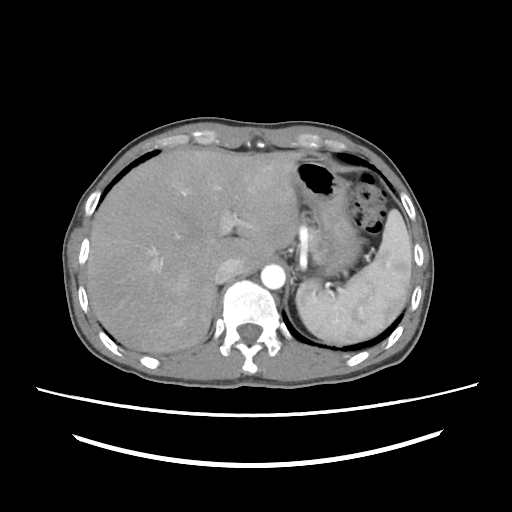
Computed tomography, abdomen — axial view — W/L 400/40 HU — 512x512 px
Bounding boxes in pixels, one row per box: x1, y1 is the top-left corner and x2, y2 the bottom-right.
| organ | x1 | y1 | x2 | y2 |
|---|---|---|---|---|
| spleen | 297 | 209 | 411 | 345 |
| liver | 86 | 148 | 305 | 352 |
| stomach | 290 | 156 | 363 | 276 |
| aorta | 260 | 265 | 284 | 289 |
| inferior vena cava | 214 | 257 | 242 | 283 |
| pancreas | 302 | 220 | 322 | 265 |
| right adrenal gland | 211 | 286 | 217 | 318 |